CT abdomen; axial view
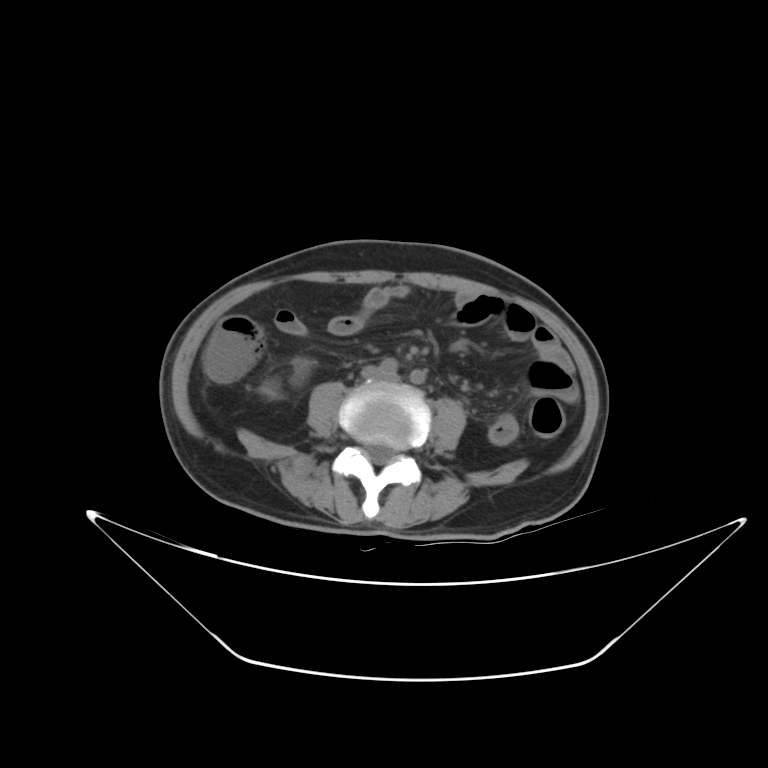

<organs><organ name="right kidney" x1="260" y1="359" x2="312" y2="397"/></organs>